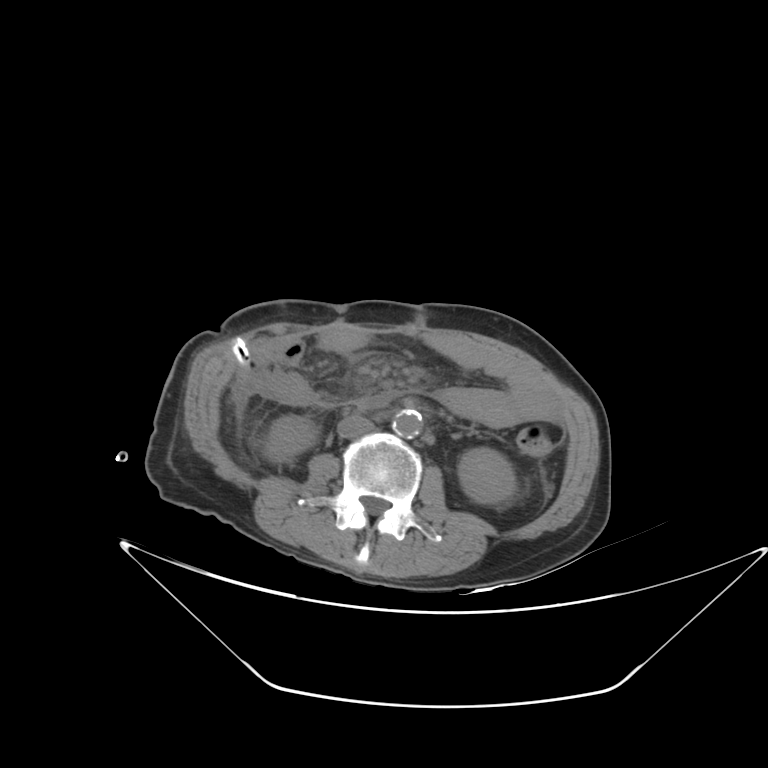 Computed tomography, abdomen; Axial slice 54/99; soft-tissue window; 768x768 px
{"organs":{"right kidney":[255,415,318,463],"left kidney":[458,447,515,503],"aorta":[391,409,422,438],"inferior vena cava":[337,414,373,439]}}